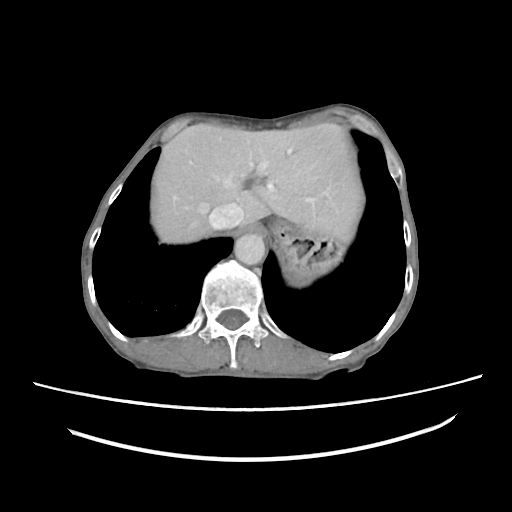 Abdominal CT; axial plane, index 67; W/L 400/40 HU; 512x512 px; Aquilion ONE scanner; 15 organs annotated in this scan (that count is for the whole scan; organs this slice misses have no box)
One row per box, in pixels: columns x1 and y1 give the top-left corner, x2 and y2 the bottom-right.
| organ | x1 | y1 | x2 | y2 |
|---|---|---|---|---|
| inferior vena cava | 208 | 203 | 243 | 229 |
| liver | 152 | 122 | 362 | 243 |
| stomach | 272 | 220 | 340 | 284 |
| aorta | 234 | 233 | 265 | 265 |